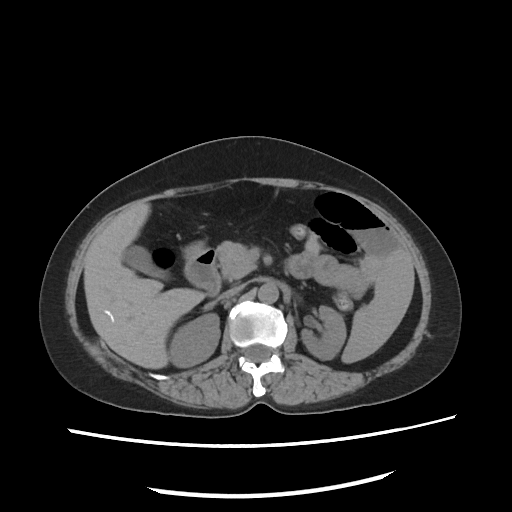

Abdominal CT; axial plane, index 62; soft-tissue window
One row per box, in pixels: columns x1 and y1 give the top-left corner, x2 and y2 the bottom-right.
| organ | x1 | y1 | x2 | y2 |
|---|---|---|---|---|
| spleen | 341 | 248 | 411 | 364 |
| right kidney | 168 | 313 | 219 | 368 |
| left kidney | 299 | 305 | 345 | 360 |
| gall bladder | 122 | 246 | 167 | 276 |
| liver | 84 | 202 | 202 | 368 |
| stomach | 183 | 243 | 204 | 258 |
| aorta | 258 | 282 | 279 | 304 |
| inferior vena cava | 219 | 284 | 242 | 300 |
| pancreas | 216 | 240 | 256 | 279 |
| duodenum | 185 | 248 | 219 | 296 |